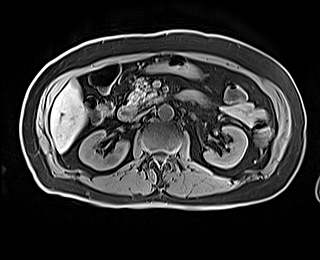

MRI, abdomen. axial plane, index 21. 1st–99th percentile window. scan has 13 labeled organs (that count is for the whole scan; organs this slice misses have no box)
<organs><organ name="stomach" x1="146" y1="59" x2="203" y2="79"/><organ name="left kidney" x1="204" y1="125" x2="247" y2="167"/><organ name="duodenum" x1="118" y1="107" x2="136" y2="120"/><organ name="right kidney" x1="79" y1="129" x2="128" y2="169"/><organ name="liver" x1="50" y1="80" x2="86" y2="152"/><organ name="pancreas" x1="128" y1="78" x2="156" y2="108"/><organ name="aorta" x1="158" y1="105" x2="173" y2="120"/><organ name="inferior vena cava" x1="136" y1="109" x2="148" y2="118"/></organs>